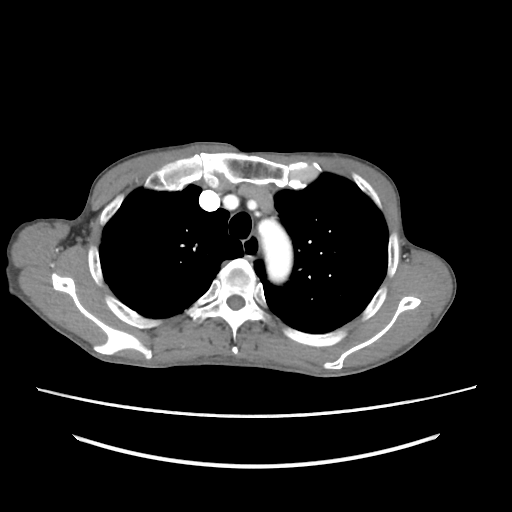 Chest-level CT slice, above the liver and spleen — axial view — soft-tissue window
On a slice this high in the chest, this dataset labels only the esophagus and the aorta, and each is boxed only where it is labeled; the heart, lungs and other chest structures are not labeled.
{"organs":{"aorta":[258,219,292,282],"esophagus":[243,235,258,259]}}